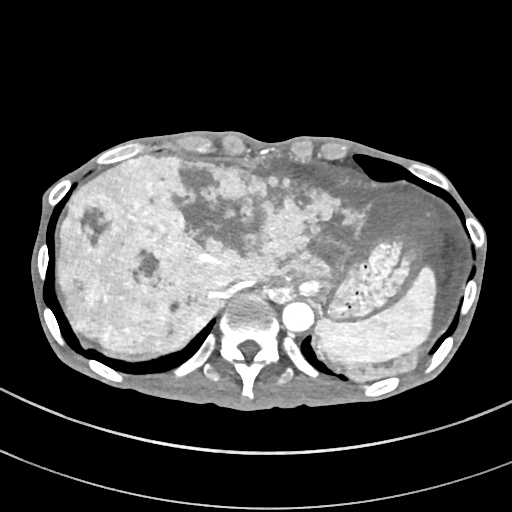 CT abdomen — axial view
Bounding boxes as [x1, y1, x2, y2] in pixel coordinates.
Organ bounding boxes:
- spleen: [316, 266, 434, 361]
- liver: [58, 156, 438, 380]
- stomach: [295, 239, 421, 317]
- inferior vena cava: [219, 278, 257, 297]
- aorta: [282, 301, 314, 332]